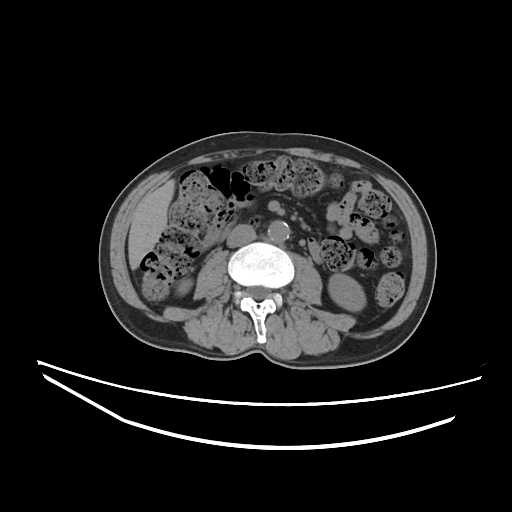
CT abdomen. axial view. W/L 400/40 HU. 512x512 px
{"organs":{"right kidney":[176,278,192,295],"left kidney":[328,274,365,311],"liver":[128,179,174,269],"aorta":[268,220,290,242],"inferior vena cava":[227,224,255,247],"duodenum":[219,220,257,240]}}